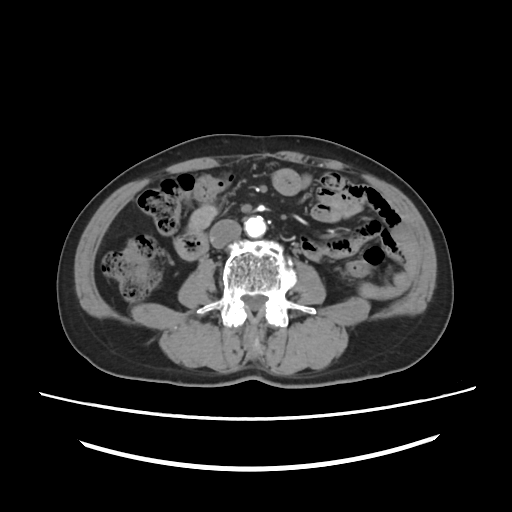 CT, abdomen/pelvis; Axial slice 51/134; soft-tissue window; 65-year-old male patient
<organs><organ name="aorta" x1="244" y1="216" x2="266" y2="237"/><organ name="inferior vena cava" x1="210" y1="219" x2="241" y2="248"/></organs>